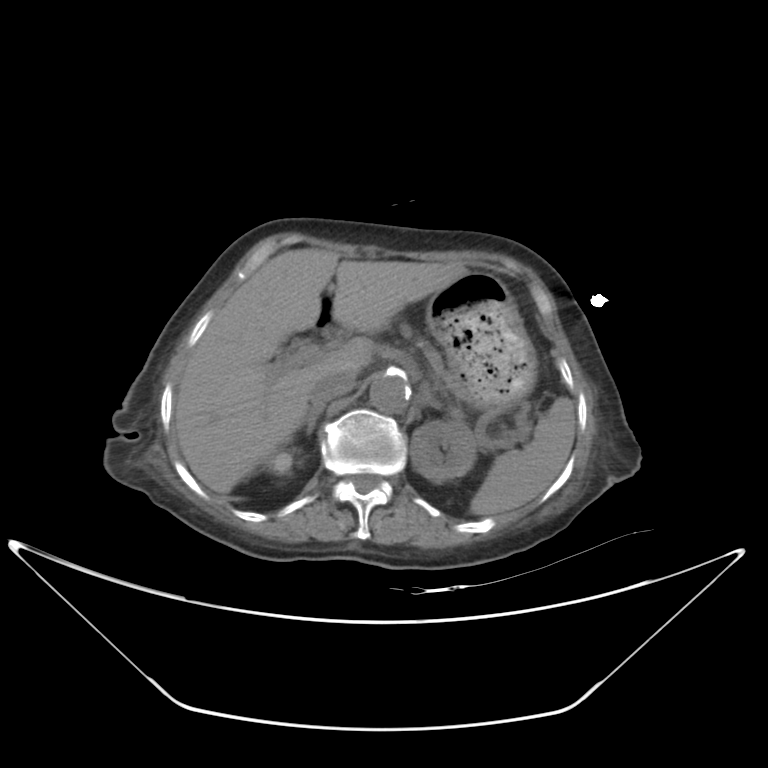 Computed tomography, abdomen — axial view — 768x768 px — scan has 15 labeled organs (counted over the whole 3D scan, not this slice; an organ is boxed only where this slice passes through it)
<organs><organ name="spleen" x1="470" y1="396" x2="575" y2="516"/><organ name="right kidney" x1="268" y1="451" x2="292" y2="476"/><organ name="left kidney" x1="410" y1="420" x2="477" y2="482"/><organ name="liver" x1="174" y1="249" x2="466" y2="494"/><organ name="stomach" x1="425" y1="271" x2="536" y2="415"/><organ name="aorta" x1="369" y1="373" x2="411" y2="413"/><organ name="inferior vena cava" x1="309" y1="372" x2="354" y2="405"/><organ name="pancreas" x1="405" y1="329" x2="448" y2="387"/><organ name="right adrenal gland" x1="303" y1="405" x2="324" y2="434"/><organ name="left adrenal gland" x1="416" y1="381" x2="441" y2="409"/></organs>